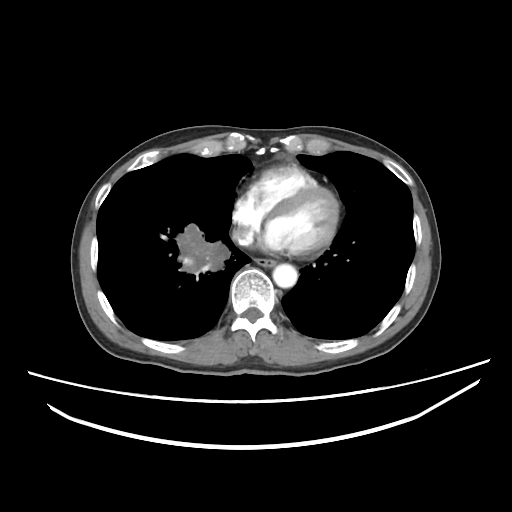

Lower-chest slice from an abdominal CT, just above the liver and spleen. axial view. acquired on Aquilion ONE
The heart and lungs are never labeled in this dataset, so they have no box on this slice.
One row per box, in pixels: columns x1 and y1 give the top-left corner, x2 and y2 the bottom-right.
| organ | x1 | y1 | x2 | y2 |
|---|---|---|---|---|
| esophagus | 255 | 258 | 276 | 266 |
| inferior vena cava | 236 | 228 | 248 | 236 |
| aorta | 272 | 263 | 297 | 288 |